Abdominal CT reaching into the chest; this slice is in the chest — Axial slice 106/126 — 512x512 px
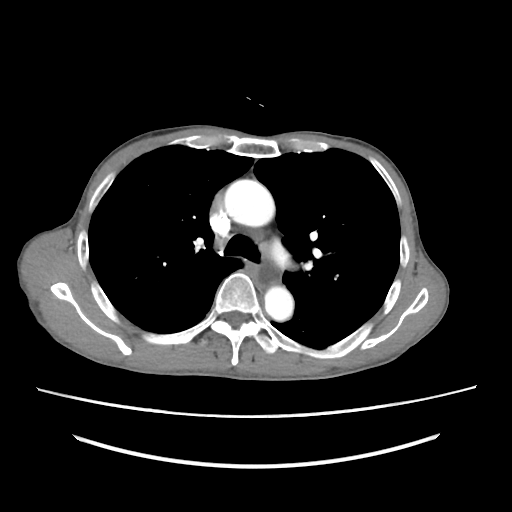

At this level of the chest this dataset labels only the esophagus and the aorta, and each is boxed only where it is labeled; the heart and lungs are never labeled.
Coordinates as <box>x1,y1,x2,y2</box> in pixels.
esophagus: <box>258,265,279,286</box>
aorta: <box>224,179,274,226</box>
aorta: <box>264,286,293,321</box>